Abdominal CT reaching into the chest; this slice is in the chest; axial view; 512x512 px; acquired on SOMATOM Force
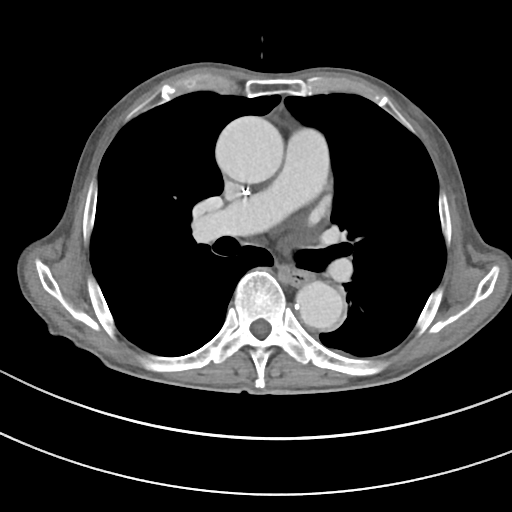
On a slice this high in the chest, this dataset labels only the esophagus and the aorta, and each is boxed only where it is labeled; the heart, lungs and other chest structures are not labeled. Boxes are (x1, y1, x2, y2) in pixels. The annotated organs in this slice are: aorta at (215, 116, 283, 183), aorta at (295, 280, 344, 329), esophagus at (280, 267, 310, 285).